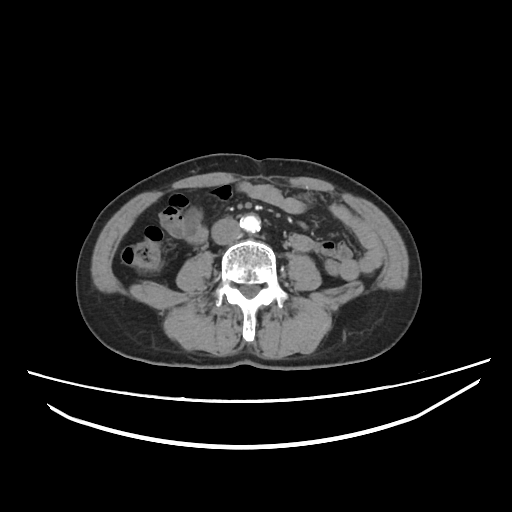 CT abdomen — axial view — Aquilion ONE scanner — 13 organs annotated in this scan (counted over the whole 3D scan, not this slice; an organ is boxed only where this slice passes through it)
{"organs":{"inferior vena cava":[211,218,241,244],"aorta":[240,215,260,232]}}